CT abdomen; axial plane, index 53; soft-tissue window (W 400 / L 40); 512x512 px; 49-year-old female patient; Aquilion ONE scanner; scan has 15 labeled organs (counted over the whole 3D scan, not this slice; an organ is boxed only where this slice passes through it)
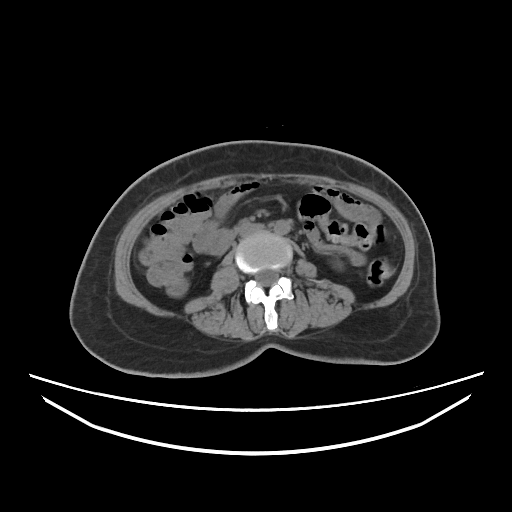
<organs><organ name="aorta" x1="274" y1="220" x2="290" y2="234"/><organ name="inferior vena cava" x1="239" y1="223" x2="264" y2="237"/></organs>